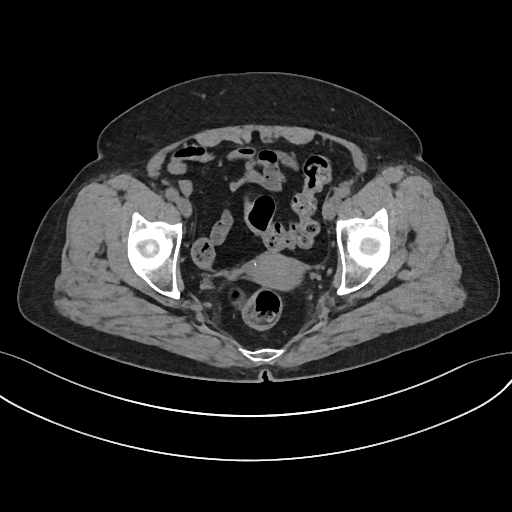 CT, abdomen/pelvis. axial view. soft-tissue window (W 400 / L 40). 512x512 px
Bounding boxes in pixels, one row per box: x1, y1 is the top-left corner and x2, y2 the bottom-right.
| organ | x1 | y1 | x2 | y2 |
|---|---|---|---|---|
| prostate/uterus | 246 | 253 | 304 | 290 |